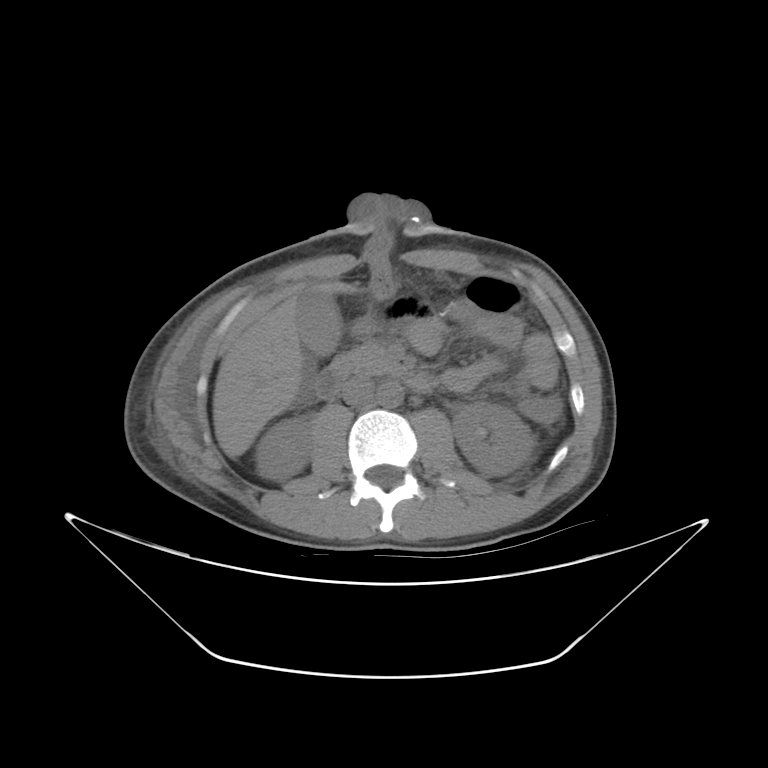

Abdominal CT. Axial slice 59/91. abdomen soft-tissue window. 768x768 px. 39-year-old male patient
{"organs":{"right kidney":[255,417,311,480],"left kidney":[453,401,534,476],"gall bladder":[296,287,341,355],"liver":[213,281,357,455],"aorta":[376,381,403,407],"inferior vena cava":[341,375,373,405],"pancreas":[329,344,401,377],"duodenum":[315,368,433,399]}}